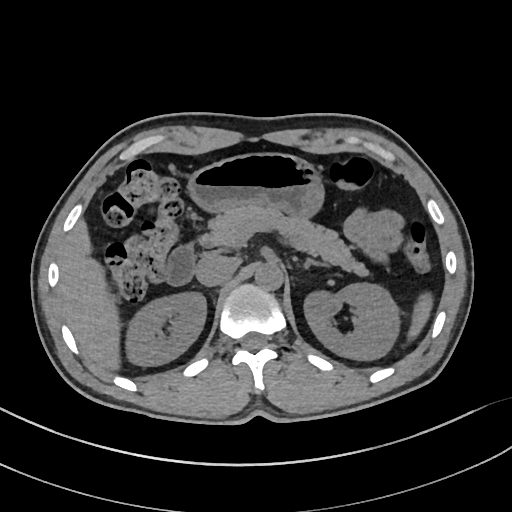
Computed tomography, abdomen; axial view; W/L 400/40 HU; acquired on SOMATOM Force
{"organs":{"spleen":[408,293,432,337],"right kidney":[128,293,206,365],"left kidney":[303,283,399,360],"liver":[59,220,120,371],"stomach":[186,153,325,219],"aorta":[255,262,284,291],"inferior vena cava":[195,255,237,287],"pancreas":[204,204,373,278],"left adrenal gland":[299,258,327,270],"duodenum":[167,241,196,285]}}